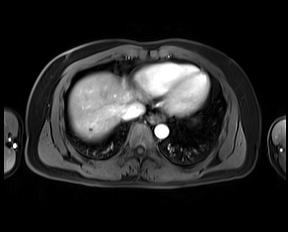

Abdominal MRI · Axial slice 60/72 · 13 organs annotated in this scan (counted over the whole 3D scan, not this slice; an organ is boxed only where this slice passes through it)
{"organs":{"esophagus":[149,115,164,122],"liver":[68,72,139,139],"aorta":[154,124,168,138],"inferior vena cava":[123,102,144,119]}}